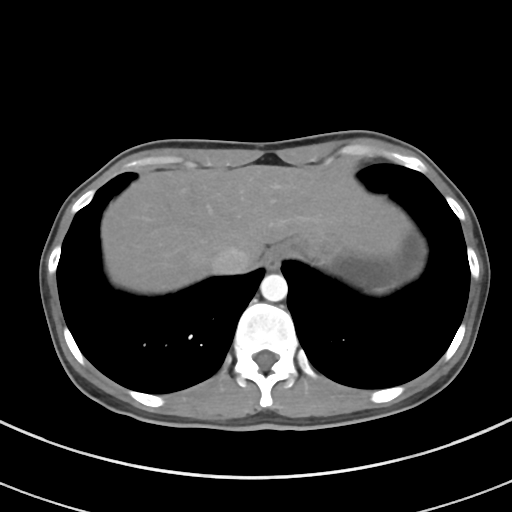 CT, abdomen/pelvis; axial view
Organ boxes in pixel coordinates; each row gives the top-left (x1, y1) and bottom-right (x2, y2) corners.
| organ | x1 | y1 | x2 | y2 |
|---|---|---|---|---|
| inferior vena cava | 211 | 247 | 250 | 274 |
| liver | 101 | 165 | 409 | 293 |
| stomach | 282 | 226 | 425 | 291 |
| aorta | 260 | 274 | 287 | 301 |
| esophagus | 263 | 247 | 283 | 270 |